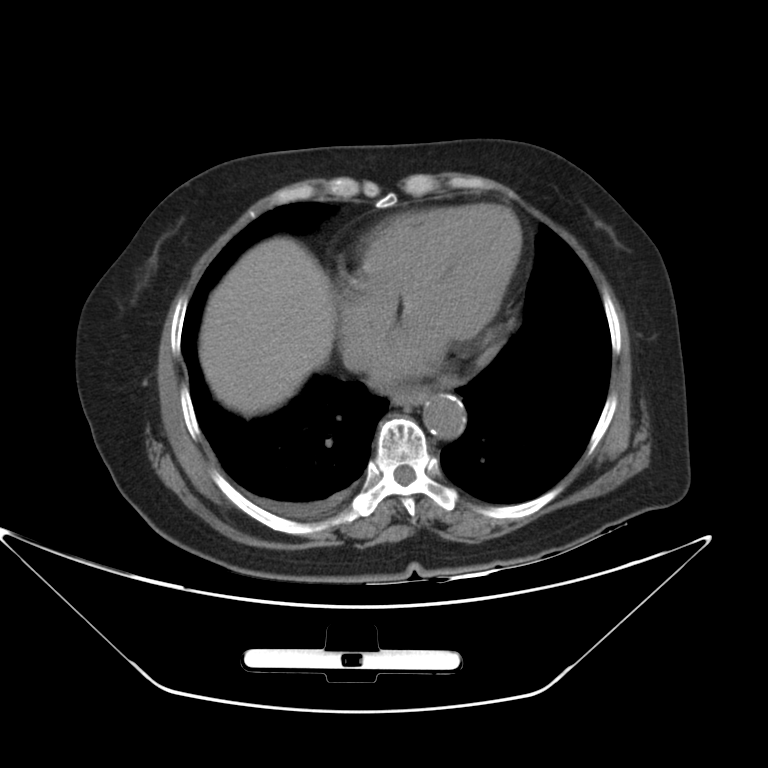 CT abdomen · axial view · Brilliance16 scanner · scan has 15 labeled organs (that count is for the whole scan; organs this slice misses have no box)
Each box given as x1,y1,x2,y2.
aorta: x1=423, y1=395, x2=465, y2=438
esophagus: x1=391, y1=388, x2=427, y2=406
liver: x1=199, y1=237, x2=333, y2=414
inferior vena cava: x1=341, y1=331, x2=376, y2=371